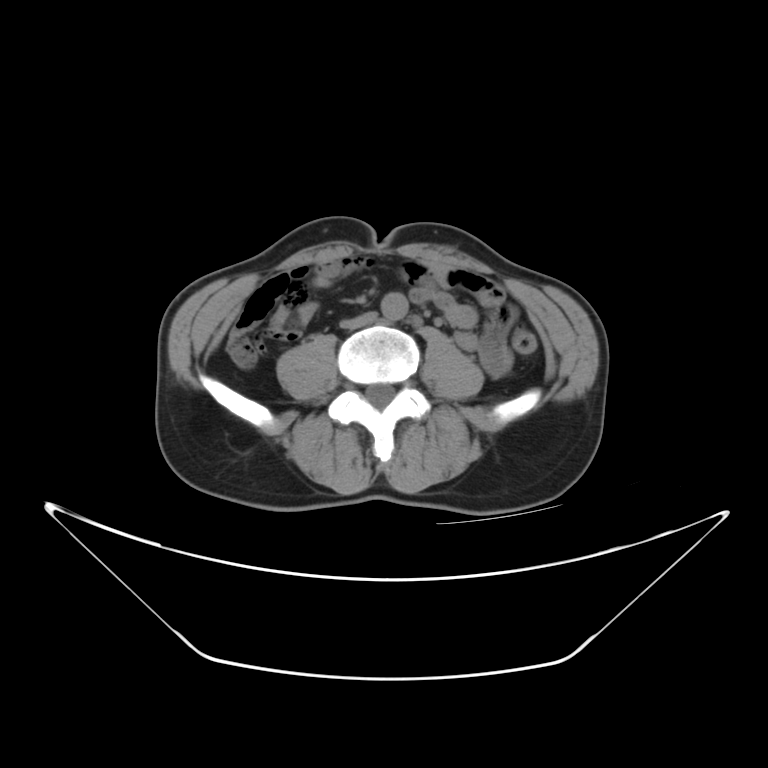 Abdominal CT — axial plane, index 43 — 768x768 px — 59-year-old male patient — Brilliance16 scanner — scan has 15 labeled organs (that count is for the whole scan; organs this slice misses have no box)
{"organs":{"aorta":[383,291,407,320],"inferior vena cava":[341,312,377,329]}}